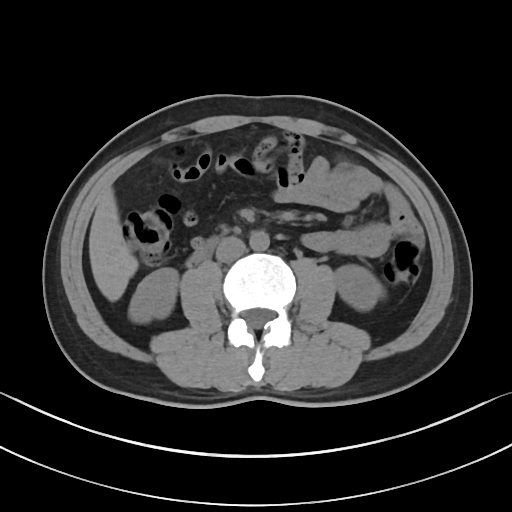
Computed tomography, abdomen · axial view
Coordinates as <box>x1,y1,x2,y2</box> in pixels.
Organ bounding boxes:
- right kidney: <box>128,268,178,323</box>
- left kidney: <box>334,265,384,310</box>
- liver: <box>89,187,138,301</box>
- aorta: <box>249,231,269,251</box>
- inferior vena cava: <box>215,236,245,262</box>
- duodenum: <box>189,238,217,264</box>